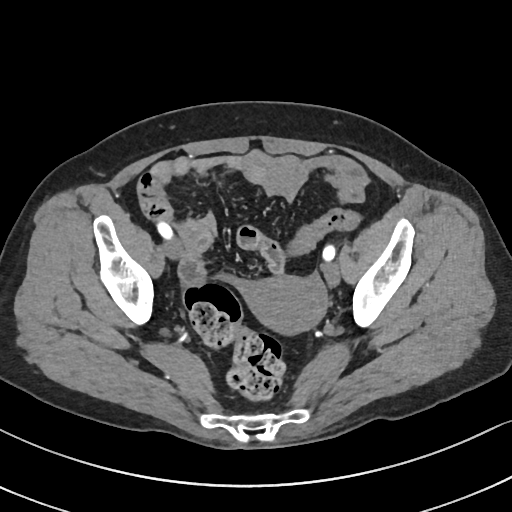 Abdominal CT · axial view · SOMATOM Force scanner · scan has 15 labeled organs (counted over the whole 3D scan, not this slice; an organ is boxed only where this slice passes through it)
Boxes are (x1, y1, x2, y2) in pixels.
Organ bounding boxes:
- prostate/uterus: (245, 276, 326, 334)